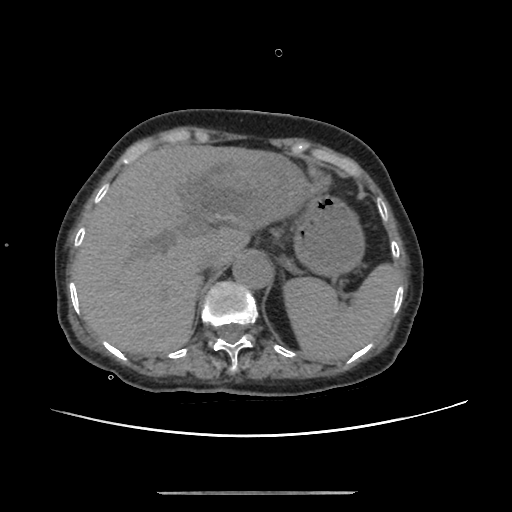
CT, abdomen/pelvis. Axial slice 278/353. scan has 14 labeled organs (that count is for the whole scan; organs this slice misses have no box)
Boxes: x1 y1 x2 y2 (pixel coords, space-separated).
spleen: 282 263 400 362
liver: 73 144 316 353
stomach: 294 195 365 278
aorta: 233 253 273 289
inferior vena cava: 197 252 219 273